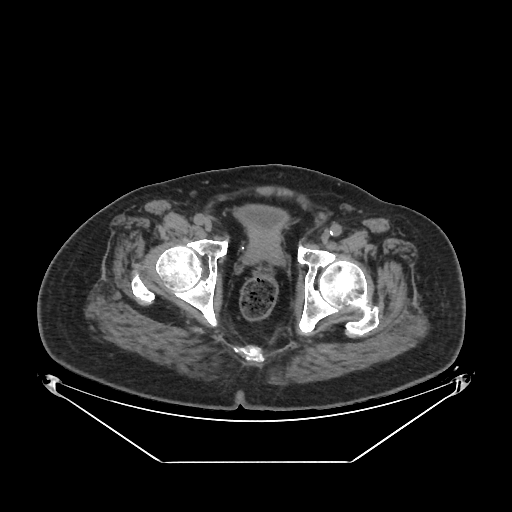
Computed tomography, abdomen. axial plane, index 39. soft-tissue window
Bounding boxes in pixels, one row per box: x1, y1 is the top-left corner and x2, y2 the bottom-right.
| organ | x1 | y1 | x2 | y2 |
|---|---|---|---|---|
| bladder | 238 | 207 | 285 | 238 |
| prostate/uterus | 249 | 237 | 281 | 256 |